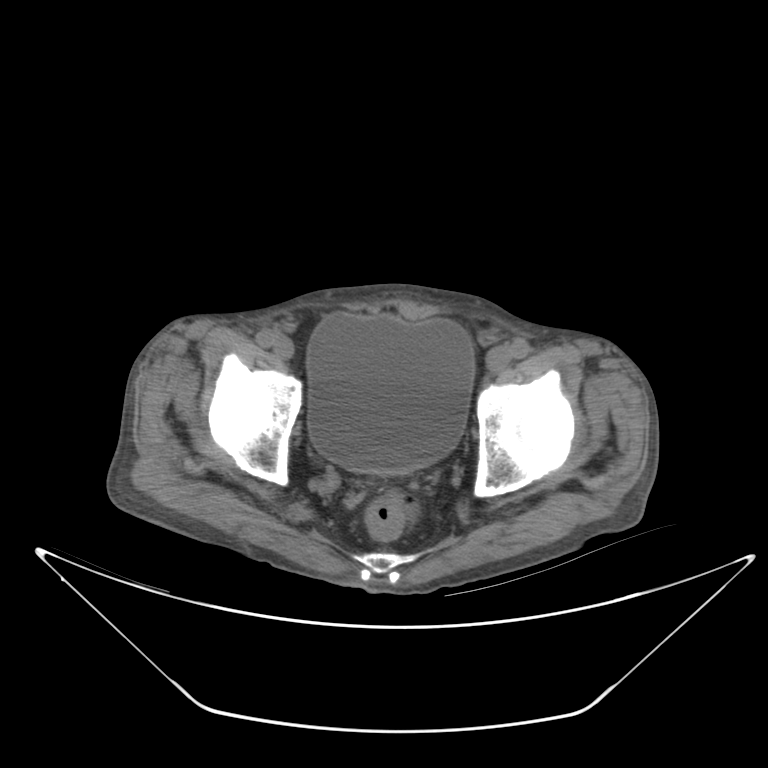 Abdominal CT. axial view. 768x768 px. acquired on Brilliance16
<organs><organ name="bladder" x1="307" y1="314" x2="474" y2="473"/></organs>